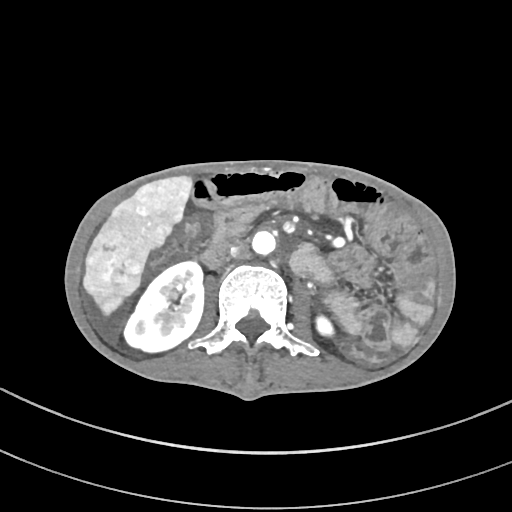
Computed tomography, abdomen — Axial slice 119/218 — soft-tissue window (W 400 / L 40) — acquired on SOMATOM Force
Boxes: x1 y1 x2 y2 (pixel coords, space-separated).
right kidney: 124 263 204 353
left kidney: 313 312 336 340
liver: 82 175 193 319
aorta: 252 230 275 254
inferior vena cava: 230 241 247 257